Abdominal CT; axial plane, index 70
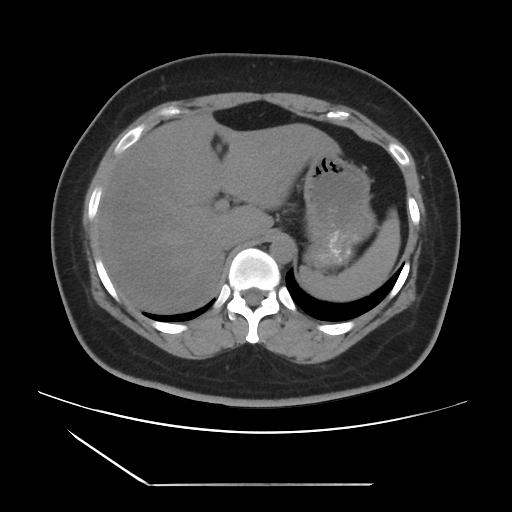 {"organs":{"spleen":[300,212,400,301],"liver":[96,113,340,313],"stomach":[303,154,375,269],"aorta":[270,236,295,263],"inferior vena cava":[220,228,244,249]}}